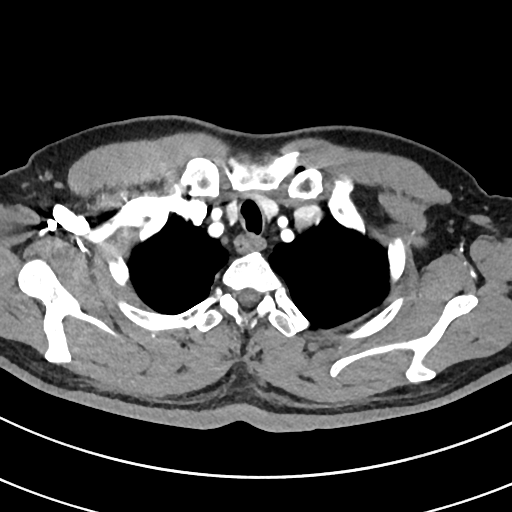

CT of the abdomen extending into the chest, slice through the chest. axial view. 15 organs annotated in this scan (that count is for the whole scan; organs this slice misses have no box)
At this level of the chest this dataset labels only the esophagus and the aorta, and each is boxed only where it is labeled; the heart and lungs are never labeled. Box edges are left/top/right/bottom in pixels. The annotated organs in this slice are: esophagus at left=237, top=234, right=267, bottom=252.